CT abdomen · axial view
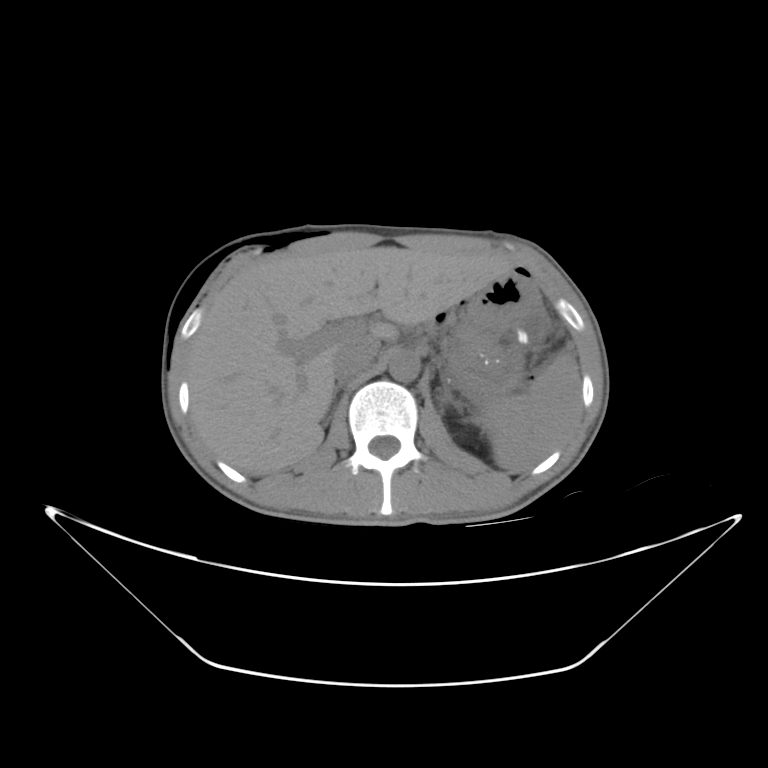 Boxes are (x1, y1, x2, y2) in pixels.
spleen: (479, 355, 582, 472)
liver: (187, 247, 577, 477)
stomach: (466, 273, 539, 335)
aorta: (387, 356, 419, 382)
inferior vena cava: (328, 336, 380, 375)
pancreas: (457, 328, 504, 374)
right adrenal gland: (321, 381, 345, 425)